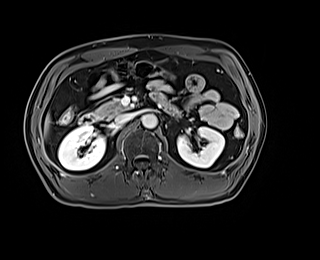
Abdominal MR — axial plane, index 9 — percentile-normalized
{"organs":{"right kidney":[58,126,105,170],"left kidney":[177,126,224,167],"liver":[44,114,50,135],"aorta":[142,114,157,128],"inferior vena cava":[115,113,135,123],"pancreas":[95,101,127,118],"duodenum":[78,113,99,125]}}